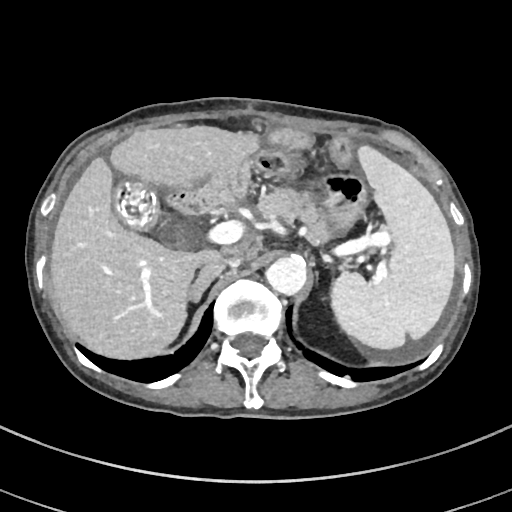

CT, abdomen/pelvis. axial view. soft-tissue window. 14 organs annotated in this scan (that count is for the whole scan; organs this slice misses have no box)
Each box given as x1,y1,x2,y2.
Organ bounding boxes:
- aorta: x1=266, y1=257, x2=306, y2=295
- inferior vena cava: x1=204, y1=255, x2=240, y2=268
- liver: x1=50, y1=125, x2=259, y2=358
- spleen: x1=329, y1=145, x2=454, y2=349
- pancreas: x1=261, y1=187, x2=329, y2=240
- gall bladder: x1=113, y1=178, x2=158, y2=228
- right adrenal gland: x1=192, y1=264, x2=223, y2=301